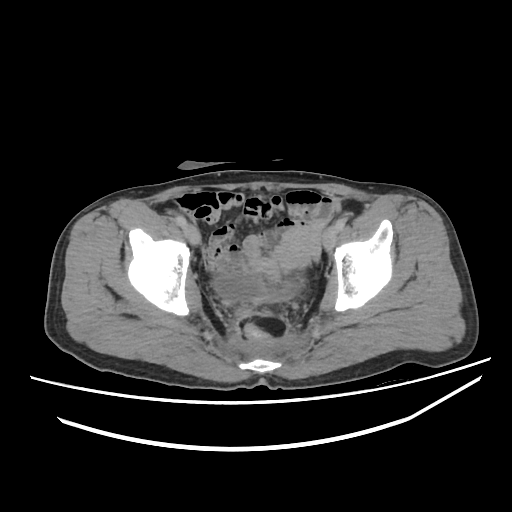
CT abdomen; axial view; soft-tissue window (W 400 / L 40); 512x512 px
{"organs":{"bladder":[214,277,301,302]}}